Abdominal CT · axial view · soft-tissue window · scan has 15 labeled organs (counted over the whole 3D scan, not this slice; an organ is boxed only where this slice passes through it)
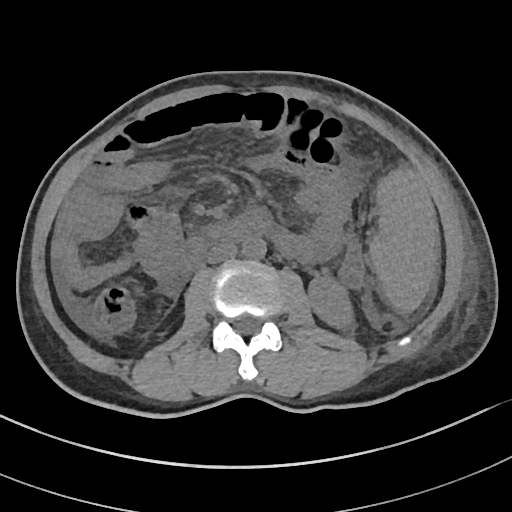 Box edges are left/top/right/bottom in pixels.
Organ bounding boxes:
- spleen: left=370, top=170, right=436, bottom=311
- inferior vena cava: left=207, top=242, right=237, bottom=263
- left kidney: left=310, top=278, right=353, bottom=326
- aorta: left=242, top=235, right=265, bottom=259
- duodenum: left=183, top=212, right=268, bottom=266